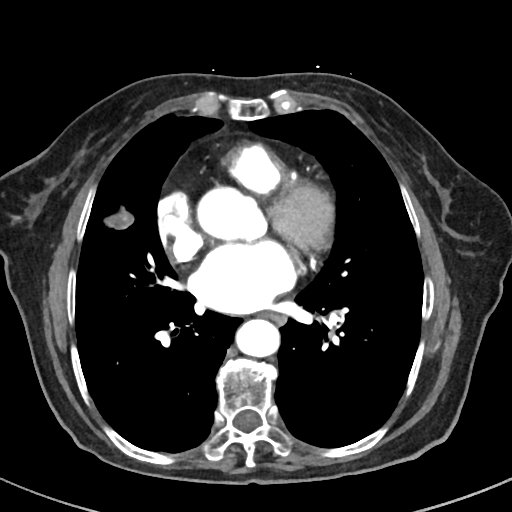 CT of the abdomen reaching into the lower chest, slice just above the liver and spleen · axial plane, index 203 · W/L 400/40 HU · 512x512 px · SOMATOM Force scanner · 15 organs annotated in this scan (a whole-scan count: organs this slice does not pass through have no box)
The heart and lungs are never labeled in this dataset, so they have no box on this slice.
{"organs":{"esophagus":[264,313,284,324],"aorta":[[198,188,266,241],[235,319,279,357]]}}